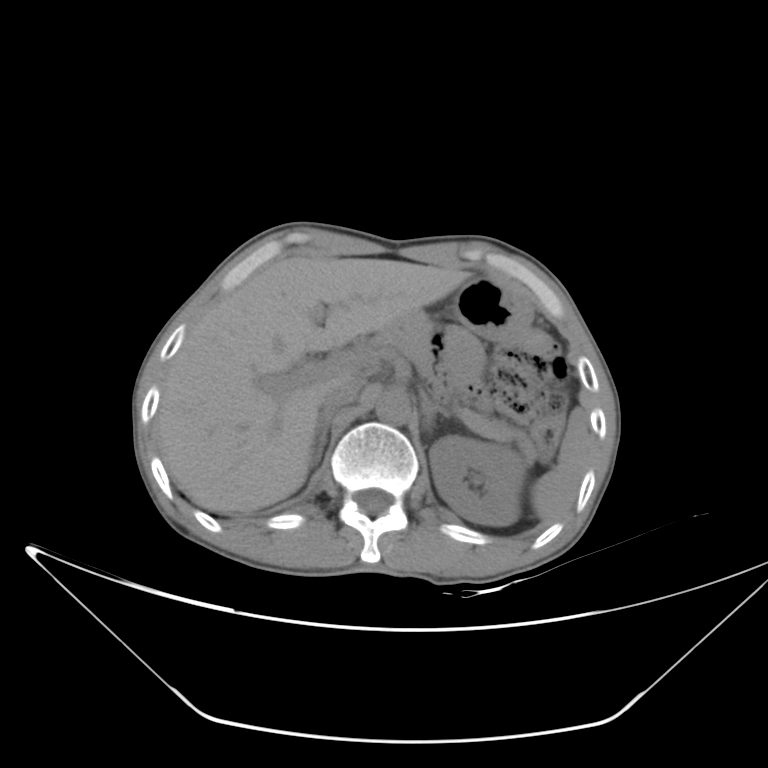

Abdominal CT — Axial slice 75/81 — W/L 400/40 HU
Boxes: x1 y1 x2 y2 (pixel coords, space-separated).
liver: 156 256 469 512
left kidney: 429 437 525 526
stomach: 450 277 532 342
left adrenal gland: 422 398 449 431
spleen: 532 409 588 521
right adrenal gland: 313 409 333 466
inferior vena cava: 321 382 359 410
pancreas: 385 314 538 462
aorta: 375 388 411 424